Abdominal CT · axial view · W/L 400/40 HU · 512x512 px
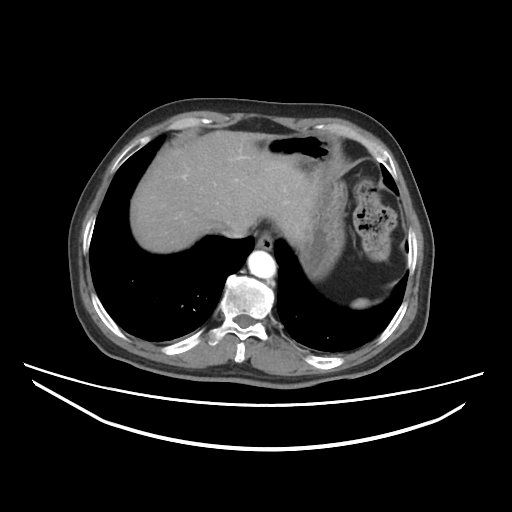

Each box given as x1,y1,x2,y2. Labeled organs on this slice: spleen at x1=352, y1=298, x2=369, y2=308, esophagus at x1=256, y1=231, x2=273, y2=250, liver at x1=131, y1=131, x2=320, y2=252, stomach at x1=262, y1=133, x2=347, y2=281, aorta at x1=248, y1=250, x2=275, y2=278, inferior vena cava at x1=221, y1=224, x2=249, y2=238.